Abdominal CT · Axial slice 188/251 · soft-tissue window · 512x512 px
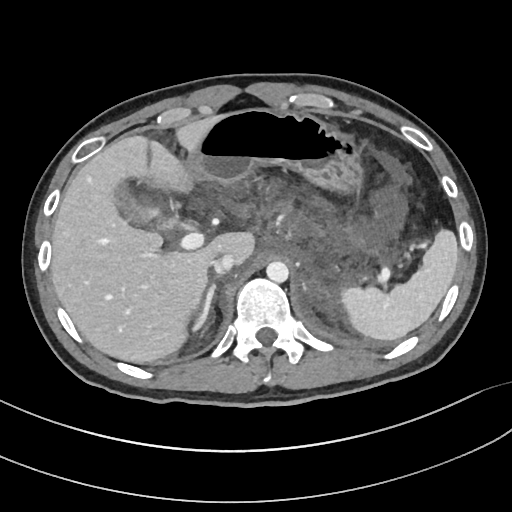

<organs><organ name="spleen" x1="342" y1="230" x2="458" y2="340"/><organ name="gall bladder" x1="109" y1="176" x2="167" y2="231"/><organ name="liver" x1="50" y1="117" x2="253" y2="363"/><organ name="stomach" x1="181" y1="107" x2="358" y2="243"/><organ name="aorta" x1="265" y1="261" x2="288" y2="282"/><organ name="inferior vena cava" x1="213" y1="253" x2="236" y2="274"/><organ name="right adrenal gland" x1="193" y1="283" x2="215" y2="329"/></organs>